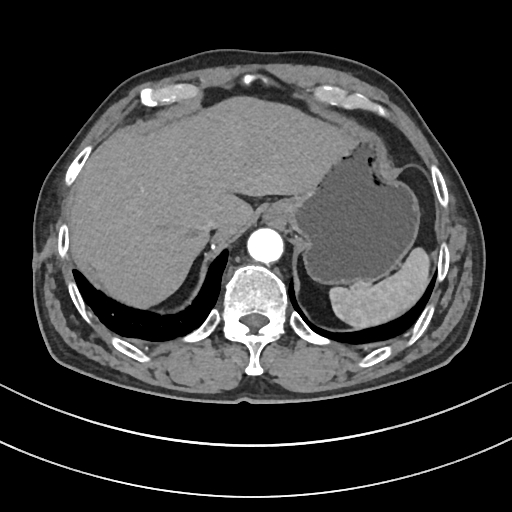
CT, abdomen/pelvis; axial view; soft-tissue window; 512x512 px; SOMATOM Force scanner
<organs><organ name="spleen" x1="328" y1="248" x2="427" y2="328"/><organ name="esophagus" x1="262" y1="203" x2="285" y2="224"/><organ name="liver" x1="69" y1="96" x2="350" y2="304"/><organ name="stomach" x1="282" y1="136" x2="419" y2="287"/><organ name="aorta" x1="247" y1="228" x2="284" y2="263"/><organ name="inferior vena cava" x1="201" y1="219" x2="220" y2="232"/></organs>